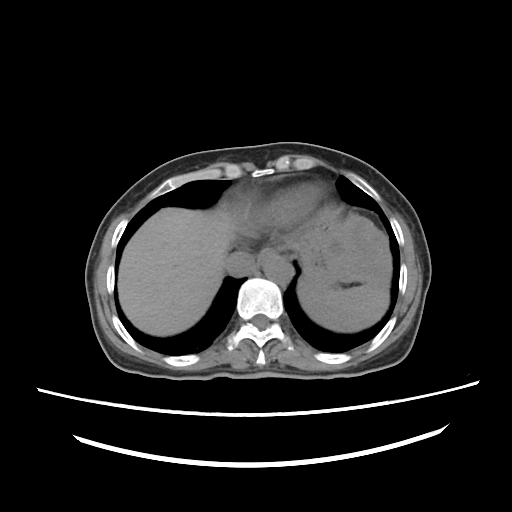 Computed tomography, abdomen. axial view. 15 organs annotated in this scan (that count is for the whole scan; organs this slice misses have no box)
{"organs":{"liver":[117,207,236,336],"aorta":[262,254,293,285],"stomach":[296,205,389,287],"inferior vena cava":[224,251,255,276],"esophagus":[256,247,276,267],"spleen":[298,278,389,331]}}